Computed tomography, abdomen; Axial slice 166/345; abdomen soft-tissue window; scan has 15 labeled organs (that count is for the whole scan; organs this slice misses have no box)
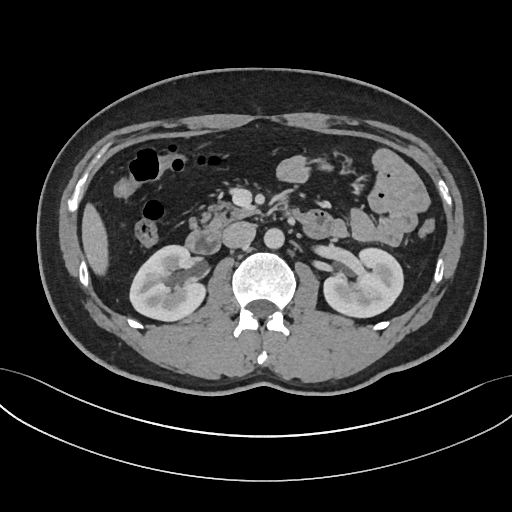

Boxes are (x1, y1, x2, y2) in pixels. Labeled organs on this slice: pancreas at (188, 202, 256, 231), right kidney at (130, 246, 205, 321), aorta at (263, 228, 284, 249), duodenum at (184, 209, 331, 252), inferior vena cava at (222, 221, 255, 248), left kidney at (322, 248, 402, 318), liver at (81, 202, 108, 274).